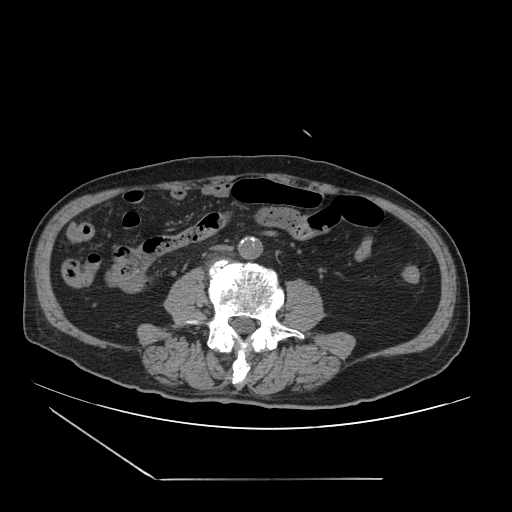
Computed tomography, abdomen — Axial slice 93/187 — W/L 400/40 HU — 15 organs annotated in this scan (a whole-scan count: organs this slice does not pass through have no box)
<organs><organ name="inferior vena cava" x1="213" y1="244" x2="232" y2="252"/><organ name="aorta" x1="238" y1="237" x2="262" y2="259"/></organs>